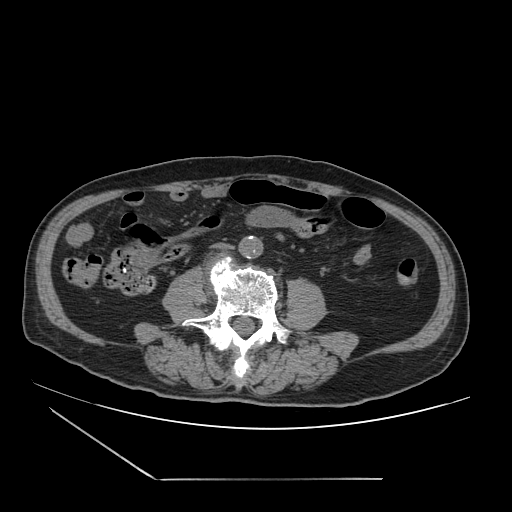

Abdominal CT · Axial slice 91/187 · soft-tissue window (W 400 / L 40) · 512x512 px
{"organs":{"inferior vena cava":[212,242,233,250],"aorta":[238,236,263,258]}}